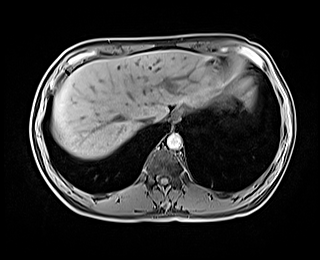 Magnetic resonance imaging, abdomen — axial view — 1st–99th percentile window — 320x260 px
Boxes are (x1, y1, x2, y2) in pixels. 5 labeled organs on this slice — liver at (52, 50, 232, 158); aorta at (167, 133, 181, 149); stomach at (175, 57, 222, 117); inferior vena cava at (140, 115, 155, 125); esophagus at (173, 111, 179, 120).